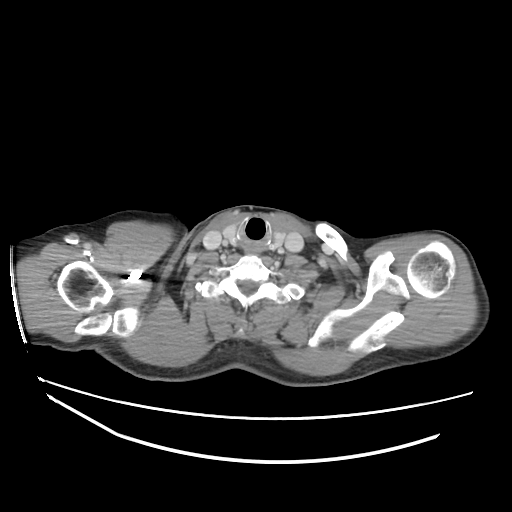 Abdominal CT reaching into the chest; this slice is in the chest; axial view; soft-tissue window; 512x512 px; 54-year-old male patient
On a slice this high in the chest, this dataset labels only the esophagus and the aorta, and each is boxed only where it is labeled; the heart, lungs and other chest structures are not labeled.
{"organs":{"esophagus":[243,244,260,255]}}